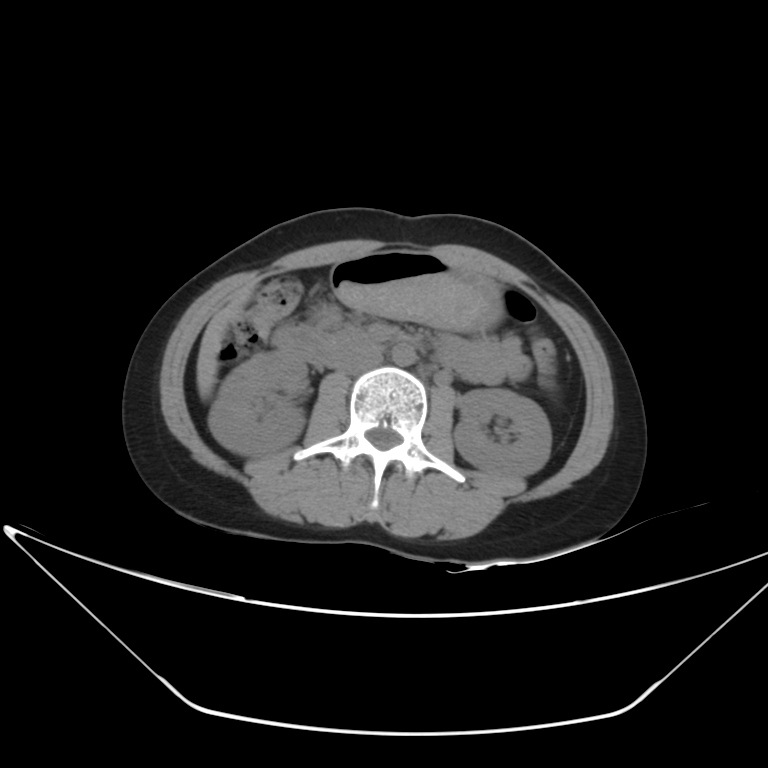
Computed tomography, abdomen; axial plane, index 50; soft-tissue window; 768x768 px; 28-year-old female patient; acquired on Brilliance16; 15 organs annotated in this scan (a whole-scan count: organs this slice does not pass through have no box)
Box edges are left/top/right/bottom in pixels.
left kidney: left=453, top=389, right=550, bottom=477
right kidney: left=208, top=351, right=307, bottom=456
stomach: left=330, top=250, right=503, bottom=330
aorta: left=392, top=344, right=416, bottom=365
duodenum: left=272, top=324, right=381, bottom=365
inferior vena cava: left=334, top=347, right=382, bottom=375
liver: left=195, top=286, right=254, bottom=399